CT abdomen. axial view. W/L 400/40 HU. 15 organs annotated in this scan (counted over the whole 3D scan, not this slice; an organ is boxed only where this slice passes through it)
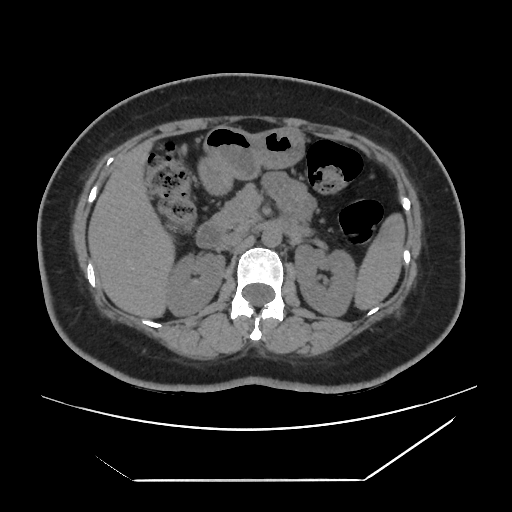
Boxes: x1:y1:x2:y2 in pixels.
spleen: 354:213:405:310
right kidney: 166:253:224:315
left kidney: 295:245:355:316
liver: 88:140:174:318
stomach: 198:126:304:194
aorta: 261:228:281:247
inferior vena cava: 219:229:247:248
pancreas: 210:183:259:230
duodenum: 195:222:224:248